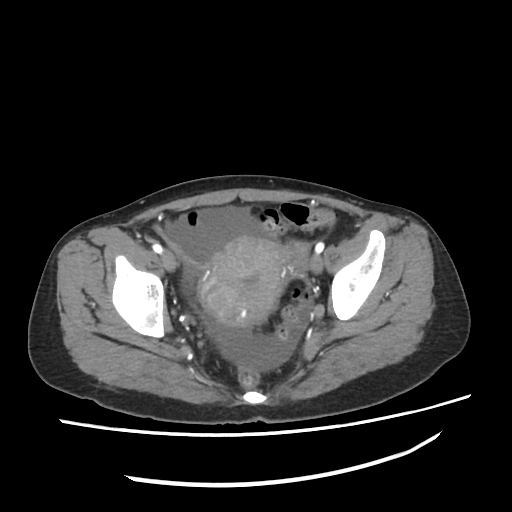

Abdominal CT. axial view. 512x512 px. 47-year-old female patient. acquired on Aquilion ONE. scan has 15 labeled organs (that count is for the whole scan; organs this slice misses have no box)
Coordinates as <box>x1,y1,x2,y2</box> in pixels. Labeled organs on this slice: prostate/uterus at <box>197,238,288,326</box>.